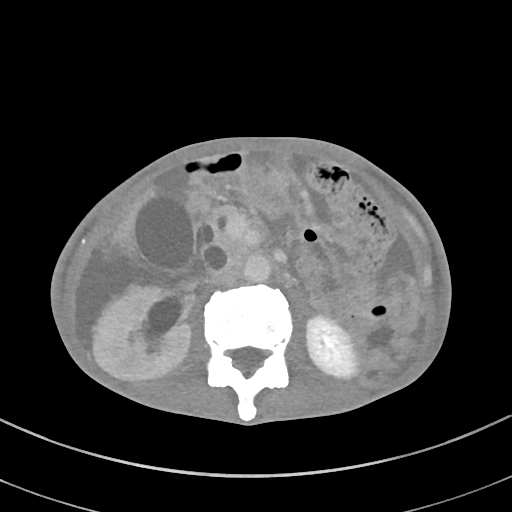 Computed tomography, abdomen — axial view — soft-tissue window (W 400 / L 40) — 512x512 px — 15 organs annotated in this scan (counted over the whole 3D scan, not this slice; an organ is boxed only where this slice passes through it)
Coordinates as <box>x1,y1,x2,y2</box> in pixels.
right kidney: <box>93,286,190,380</box>
left kidney: <box>93,316,356,377</box>
gall bladder: <box>134,196,196,271</box>
liver: <box>118,188,154,238</box>
aorta: <box>243,254,271,282</box>
inferior vena cava: <box>211,265,239,285</box>
pancreas: <box>211,205,252,258</box>
duodenum: <box>190,209,207,277</box>